CT, abdomen/pelvis. axial view. soft-tissue window (W 400 / L 40). 512x512 px. 54-year-old female patient
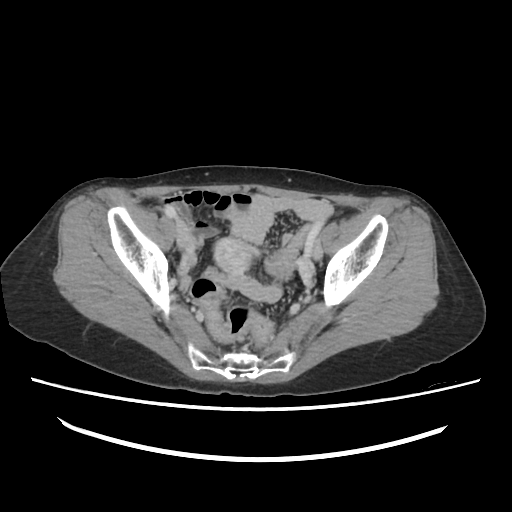
<organs><organ name="prostate/uterus" x1="213" y1="237" x2="250" y2="274"/></organs>